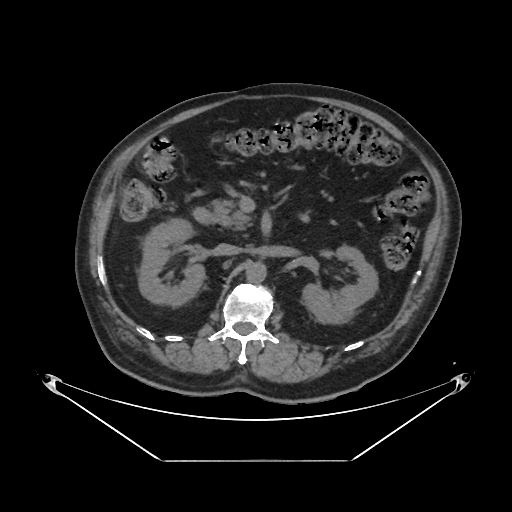 CT abdomen; axial plane, index 229; W/L 400/40 HU; 512x512 px
<organs><organ name="right kidney" x1="139" y1="219" x2="205" y2="306"/><organ name="inferior vena cava" x1="214" y1="243" x2="240" y2="255"/><organ name="aorta" x1="245" y1="262" x2="266" y2="283"/><organ name="left kidney" x1="302" y1="245" x2="377" y2="324"/><organ name="pancreas" x1="212" y1="198" x2="253" y2="230"/><organ name="duodenum" x1="193" y1="207" x2="213" y2="225"/></organs>